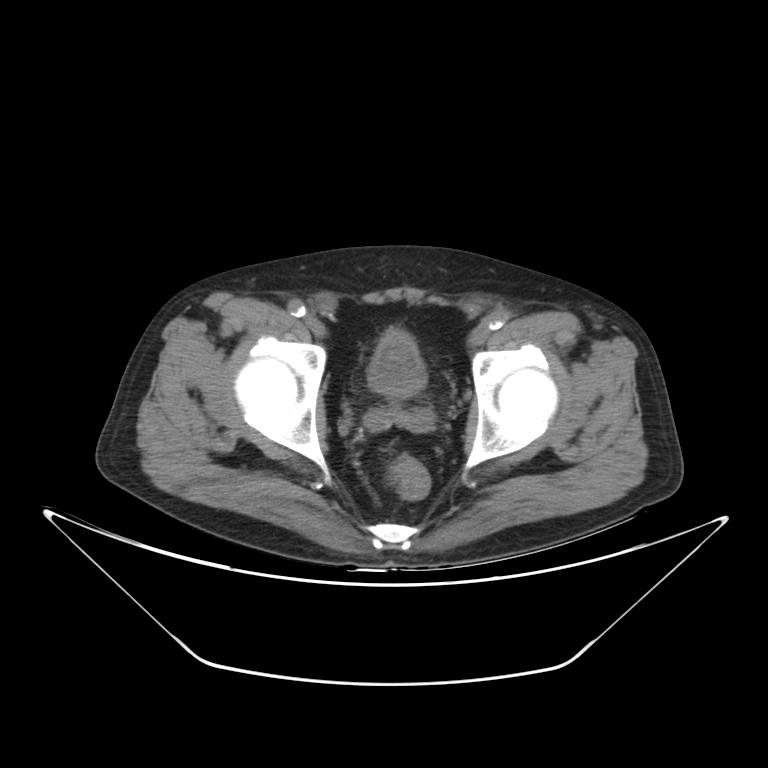
CT, abdomen/pelvis · axial plane, index 18 · abdomen soft-tissue window · 768x768 px · Brilliance16 scanner
Box edges are left/top/right/bottom in pixels. The annotated organs in this slice are: bladder at left=367, top=331, right=426, bottom=397.